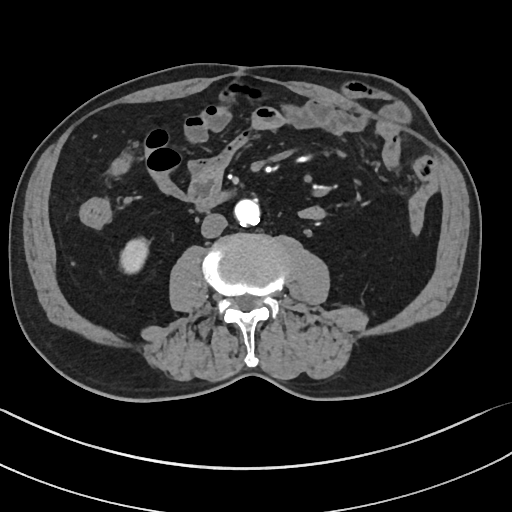
CT abdomen; axial view
Each box given as x1,y1,x2,y2.
Organ bounding boxes:
- duodenum: x1=195, y1=191, x2=226, y2=211
- right kidney: x1=122, y1=239, x2=146, y2=272
- aorta: x1=233, y1=199, x2=260, y2=225
- inferior vena cava: x1=201, y1=213, x2=227, y2=237